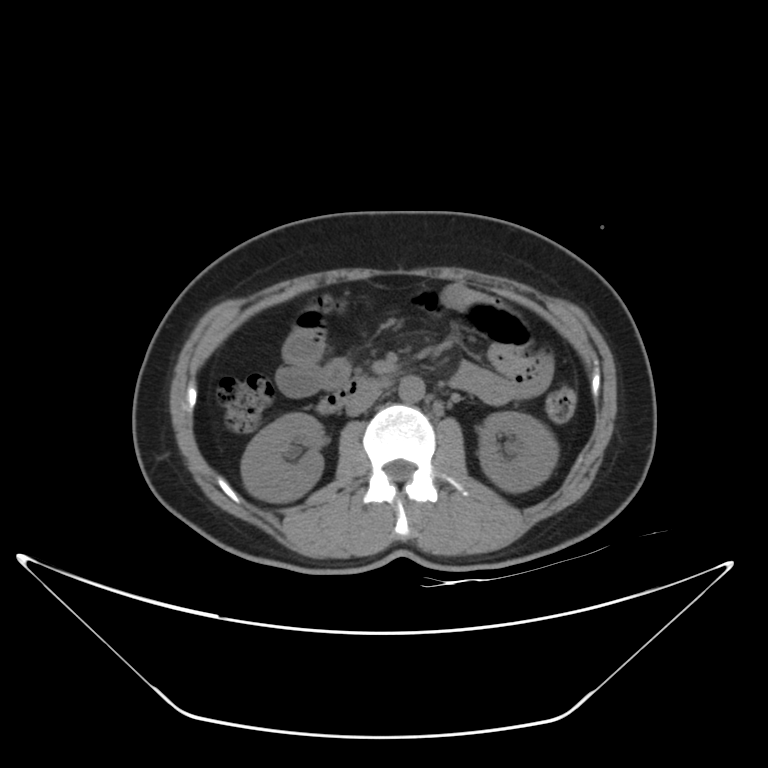

CT, abdomen/pelvis; axial plane, index 63; 39-year-old female patient
Boxes: x1 y1 x2 y2 (pixel coords, space-separated). Labeled organs on this slice: right kidney at 240 412 324 501, left kidney at 478 411 558 492, aorta at 399 376 425 402, inferior vena cava at 346 385 380 415, duodenum at 317 377 384 413.